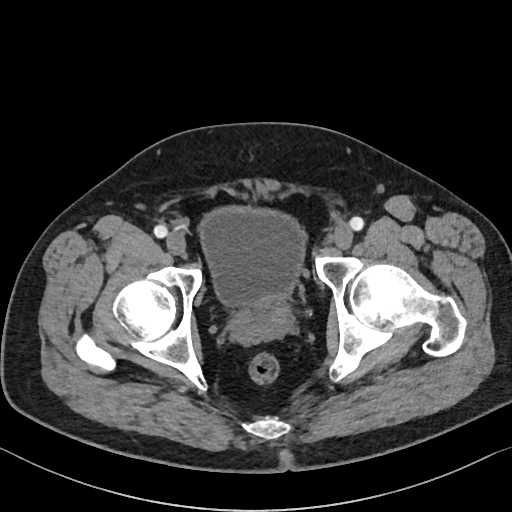
CT, abdomen/pelvis — axial plane, index 26 — 512x512 px — acquired on SOMATOM Force
Coordinates as <box>x1,y1,x2,y2</box> in pixels.
Organ bounding boxes:
- bladder: <box>199,207,304,305</box>
- prostate/uterus: <box>254,300,274,312</box>